CT, abdomen/pelvis — axial view — 768x768 px — Brilliance16 scanner
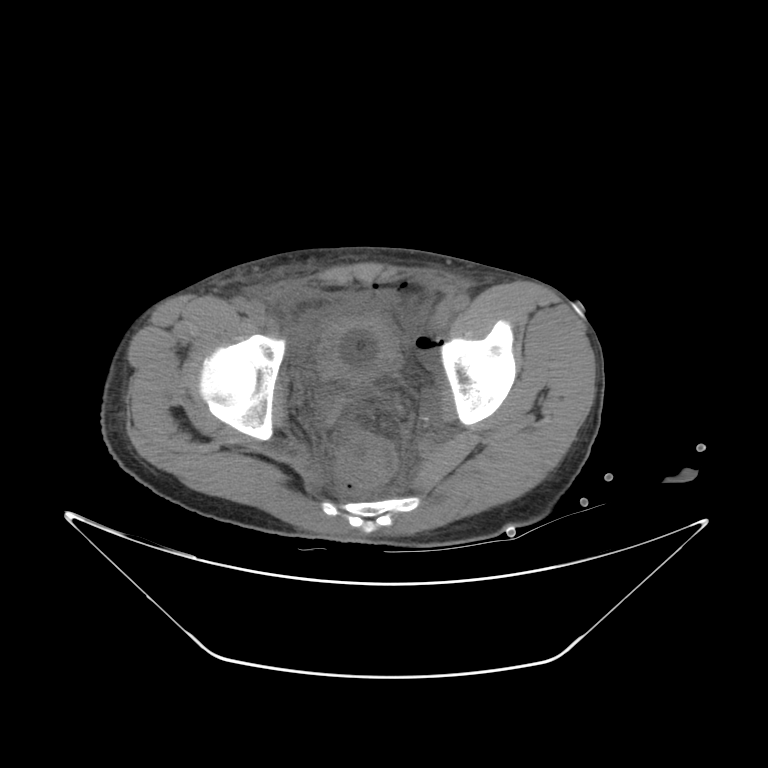
Box edges are left/top/right/bottom in pixels.
bladder: left=318, top=317, right=398, bottom=378